CT abdomen; axial view; 768x768 px
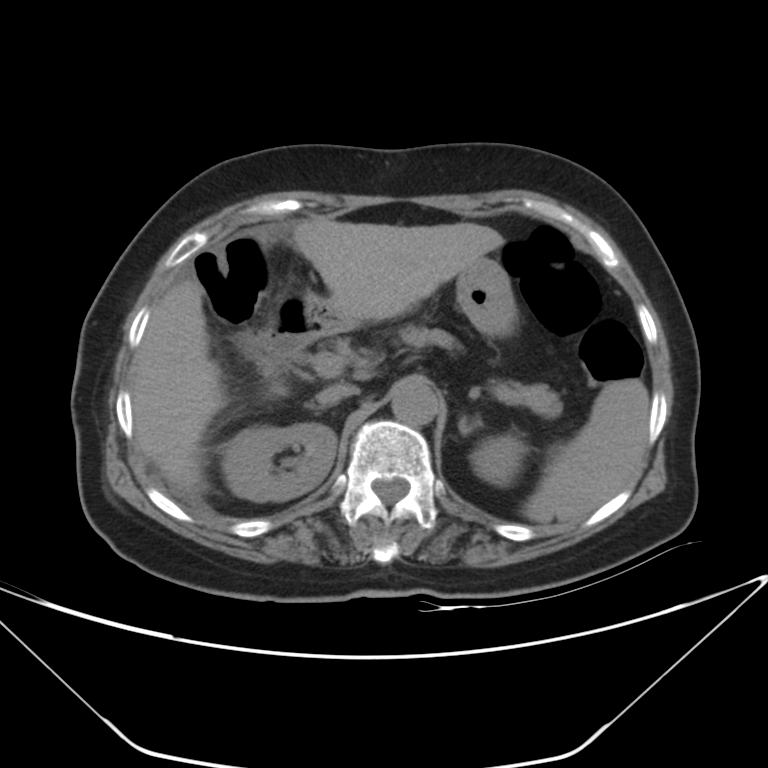
Boxes: x1 y1 x2 y2 (pixel coords, space-separated). 11 labeled organs on this slice — spleen at 526 378 649 524; right kidney at 225 423 336 501; left kidney at 471 435 527 486; liver at 132 219 504 493; stomach at 306 257 515 333; aorta at 391 380 438 426; inferior vena cava at 316 383 358 405; pancreas at 397 324 562 417; right adrenal gland at 306 403 325 410; left adrenal gland at 459 417 482 435; duodenum at 244 297 340 375.